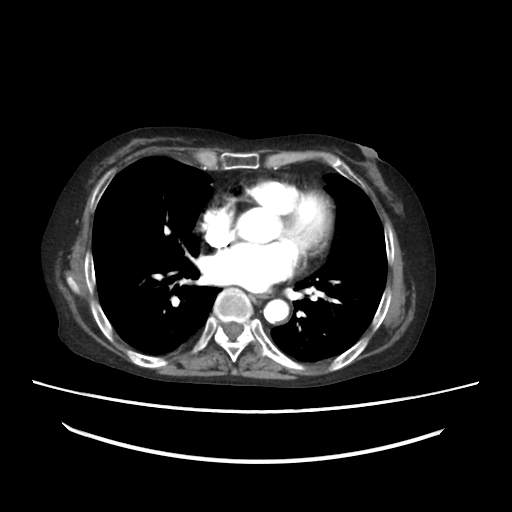 Abdominal CT; this slice is in the lower chest, just above the liver — axial plane, index 88
The heart and lungs are never labeled in this dataset, so they have no box on this slice. Box edges are left/top/right/bottom in pixels. The annotated organs in this slice are: aorta at left=262, top=299, right=290, bottom=322.